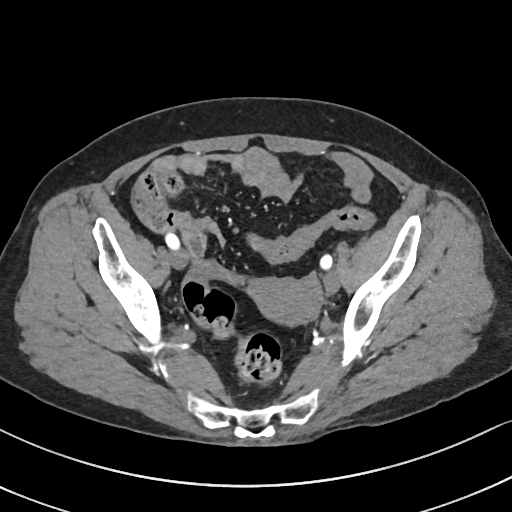

CT, abdomen/pelvis; Axial slice 56/294; 512x512 px; acquired on SOMATOM Force
<organs><organ name="prostate/uterus" x1="249" y1="279" x2="319" y2="325"/></organs>